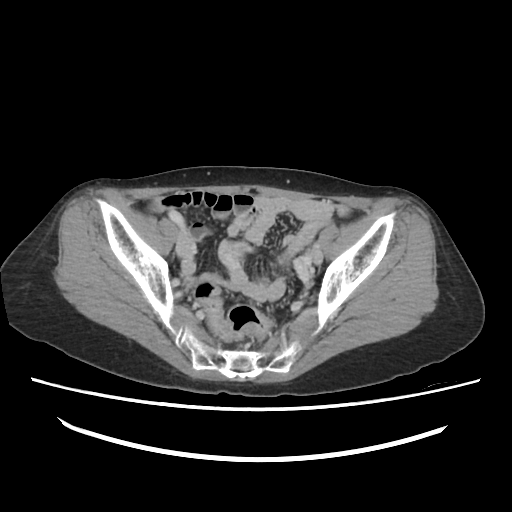

Abdominal CT. Axial slice 24/82. 512x512 px. 54-year-old female patient. Aquilion ONE scanner
Box edges are left/top/right/bottom in pixels.
prostate/uterus: left=219, top=241, right=241, bottom=267